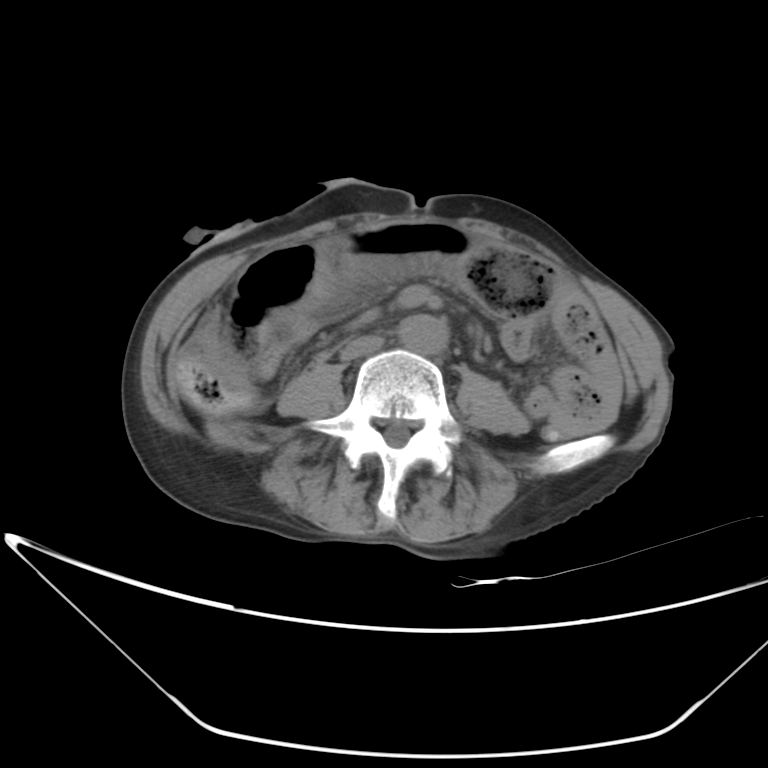
CT abdomen — axial view — soft-tissue window (W 400 / L 40) — Brilliance16 scanner — 15 organs annotated in this scan (that count is for the whole scan; organs this slice misses have no box)
Box edges are left/top/right/bottom in pixels. 2 labeled organs on this slice — aorta at left=399, top=315, right=449, bottom=355; inferior vena cava at left=339, top=334, right=384, bottom=361.